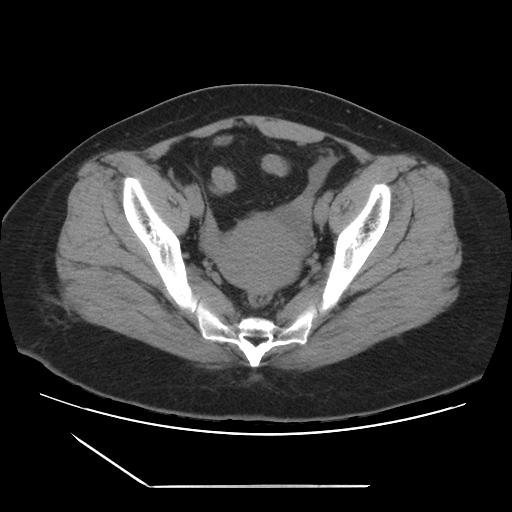

Computed tomography, abdomen. axial view. 15 organs annotated in this scan (a whole-scan count: organs this slice does not pass through have no box)
<organs><organ name="bladder" x1="216" y1="138" x2="227" y2="145"/><organ name="prostate/uterus" x1="216" y1="215" x2="304" y2="291"/></organs>